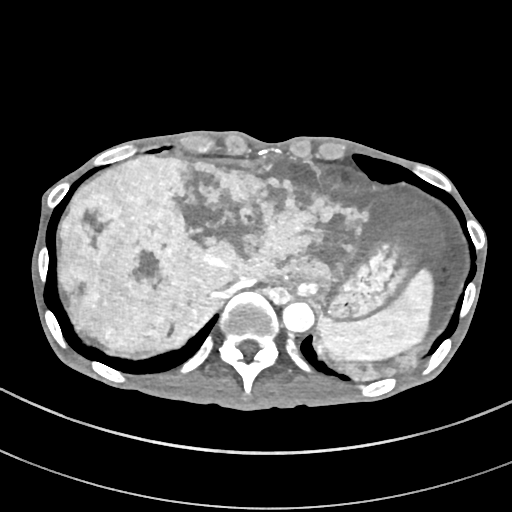
Computed tomography, abdomen · Axial slice 192/218
<organs><organ name="liver" x1="58" y1="155" x2="444" y2="385"/><organ name="spleen" x1="317" y1="269" x2="433" y2="361"/><organ name="inferior vena cava" x1="219" y1="277" x2="257" y2="297"/><organ name="aorta" x1="282" y1="301" x2="314" y2="332"/><organ name="stomach" x1="294" y1="244" x2="413" y2="317"/></organs>